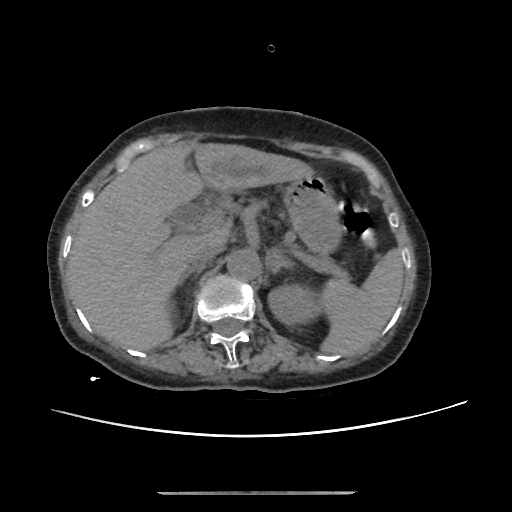

Computed tomography, abdomen — axial plane, index 256 — SOMATOM Force scanner
Coordinates as <box>x1,y1,x2,y2</box> in pixels. Labeled organs on this slice: right adrenal gland at <box>179,269,200,282</box>, liver at <box>68,142,313,349</box>, left kidney at <box>268,284,320,326</box>, stomach at <box>282,175,339,250</box>, left adrenal gland at <box>266,248,291,271</box>, inferior vena cava at <box>188,243,222,269</box>, pancreas at <box>262,202,347,281</box>, spleen at <box>322,249,403,353</box>, aorta at <box>226,248,259,278</box>.